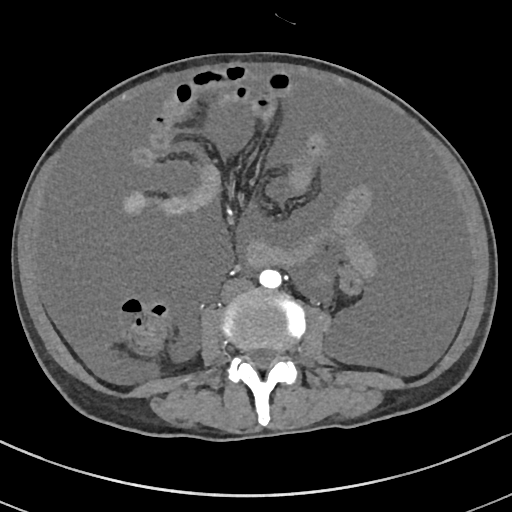
CT abdomen. axial view. 512x512 px. scan has 15 labeled organs (that count is for the whole scan; organs this slice misses have no box)
Boxes: x1 y1 x2 y2 (pixel coords, space-separated).
aorta: 259 269 281 288
inferior vena cava: 221 277 253 302